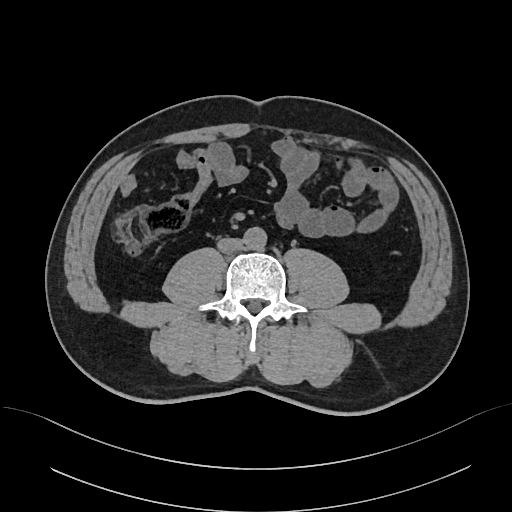

CT abdomen — Axial slice 123/265 — 512x512 px — SOMATOM Force scanner
Organ boxes in pixel coordinates; each row gives the top-left (x1, y1) and bottom-right (x2, y2) corners.
| organ | x1 | y1 | x2 | y2 |
|---|---|---|---|---|
| aorta | 243 | 227 | 266 | 250 |
| inferior vena cava | 217 | 238 | 243 | 253 |